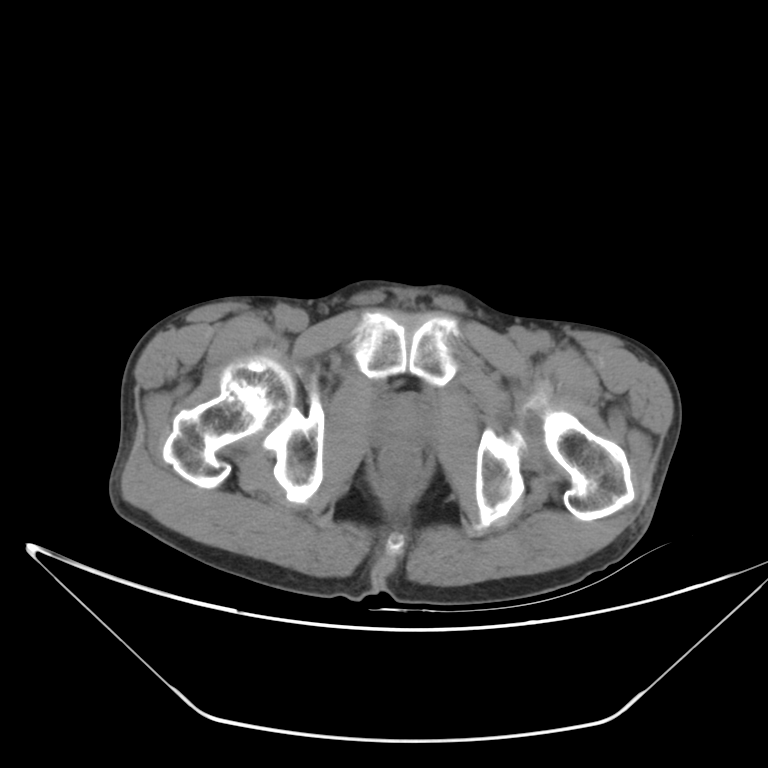 CT, abdomen/pelvis — axial view — soft-tissue window (W 400 / L 40) — 63-year-old male patient — 14 organs annotated in this scan (a whole-scan count: organs this slice does not pass through have no box)
{"organs":{"prostate/uterus":[378,403,427,444]}}